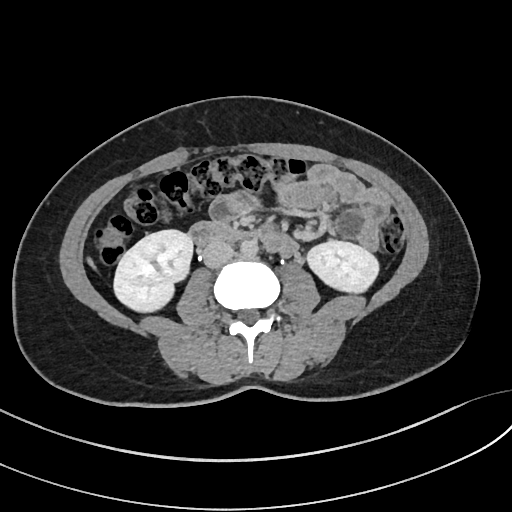 CT abdomen; axial view; abdomen soft-tissue window; 512x512 px
Box edges are left/top/right/bottom in pixels.
Organ bounding boxes:
- right kidney: left=113, top=229, right=193, bottom=311
- left kidney: left=306, top=240, right=380, bottom=295
- liver: left=85, top=256, right=96, bottom=271
- aorta: left=240, top=240, right=258, bottom=257
- inferior vena cava: left=202, top=242, right=233, bottom=269
- duodenum: left=188, top=221, right=282, bottom=252